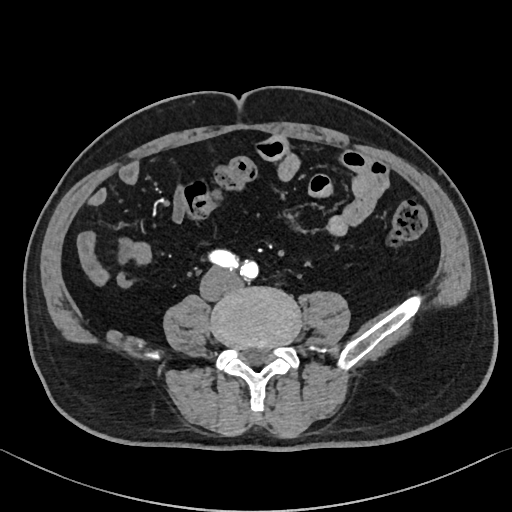

CT, abdomen/pelvis; Axial slice 93/245
Each box given as x1,y1,x2,y2.
inferior vena cava: x1=201, y1=268, x2=228, y2=297